Abdominal CT · axial view · W/L 400/40 HU
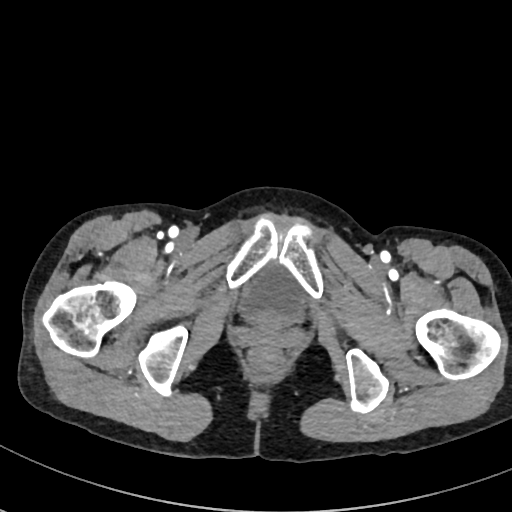
Boxes: x1:y1:x2:y2 in pixels. The annotated organs in this slice are: bladder at 240:269:306:323.